Chest-level CT slice, above the liver and spleen. axial view. 512x512 px
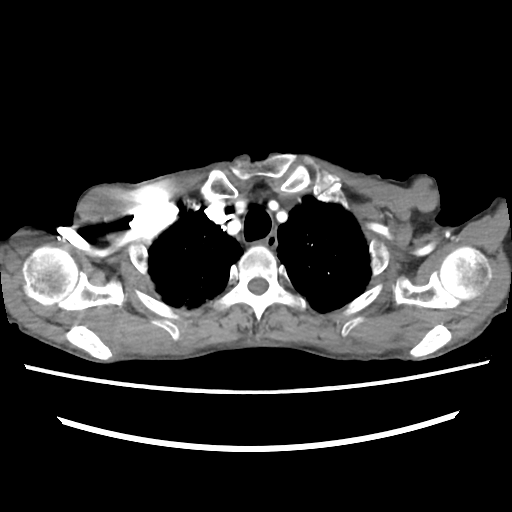

At this level of the chest this dataset labels only the esophagus and the aorta, and each is boxed only where it is labeled; the heart and lungs are never labeled.
<organs><organ name="esophagus" x1="260" y1="231" x2="275" y2="253"/></organs>